Abdominal CT; this slice is in the lower chest, just above the liver — Axial slice 95/95 — soft-tissue window (W 400 / L 40)
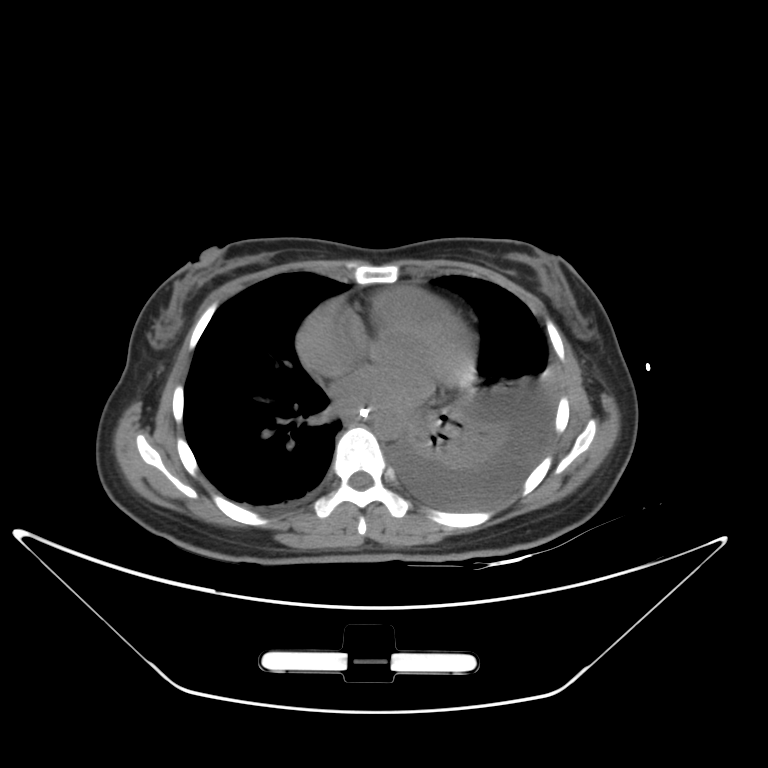
The heart and lungs are never labeled in this dataset, so they have no box on this slice.
Boxes are (x1, y1, x2, y2) in pixels.
Organ bounding boxes:
- aorta: (373, 410, 404, 440)